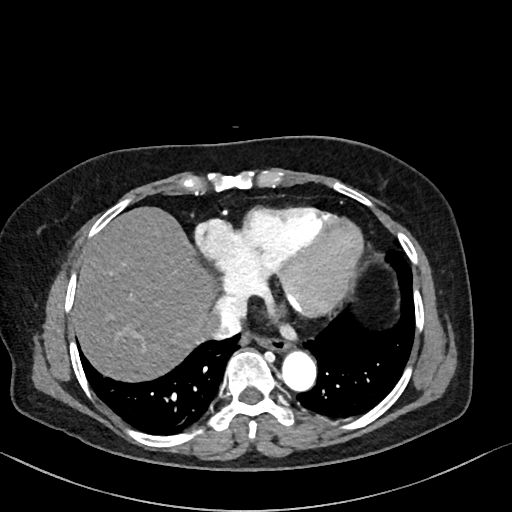

CT, abdomen/pelvis — axial view — W/L 400/40 HU — 15 organs annotated in this scan (counted over the whole 3D scan, not this slice; an organ is boxed only where this slice passes through it)
{"organs":{"esophagus":[256,337,289,352],"liver":[73,206,215,381],"aorta":[282,351,316,391],"inferior vena cava":[205,289,248,339]}}